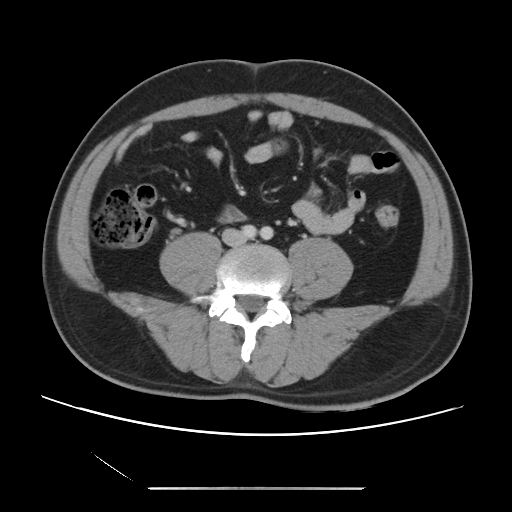

Abdominal CT — Axial slice 46/131 — abdomen soft-tissue window — 512x512 px — 15 organs annotated in this scan (counted over the whole 3D scan, not this slice; an organ is boxed only where this slice passes through it)
One row per box, in pixels: columns x1 and y1 give the top-left corner, x2 and y2 the bottom-right.
| organ | x1 | y1 | x2 | y2 |
|---|---|---|---|---|
| inferior vena cava | 224 | 231 | 243 | 240 |